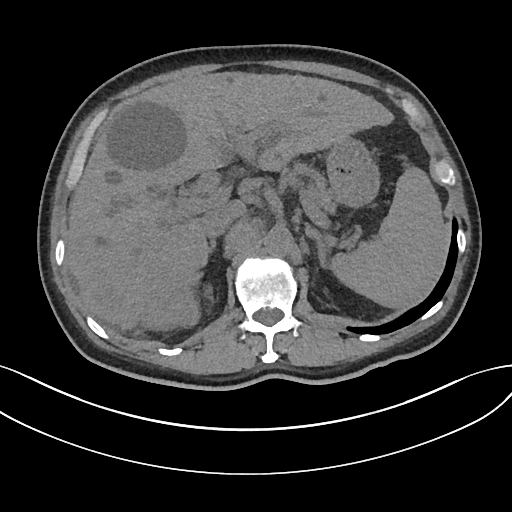

Computed tomography, abdomen · axial plane, index 155 · abdomen soft-tissue window
<organs><organ name="spleen" x1="328" y1="168" x2="449" y2="307"/><organ name="liver" x1="65" y1="72" x2="394" y2="331"/><organ name="stomach" x1="326" y1="141" x2="380" y2="207"/><organ name="aorta" x1="264" y1="229" x2="293" y2="257"/><organ name="inferior vena cava" x1="201" y1="205" x2="235" y2="237"/><organ name="pancreas" x1="313" y1="182" x2="335" y2="211"/><organ name="right adrenal gland" x1="209" y1="239" x2="217" y2="254"/><organ name="left adrenal gland" x1="306" y1="226" x2="325" y2="264"/></organs>